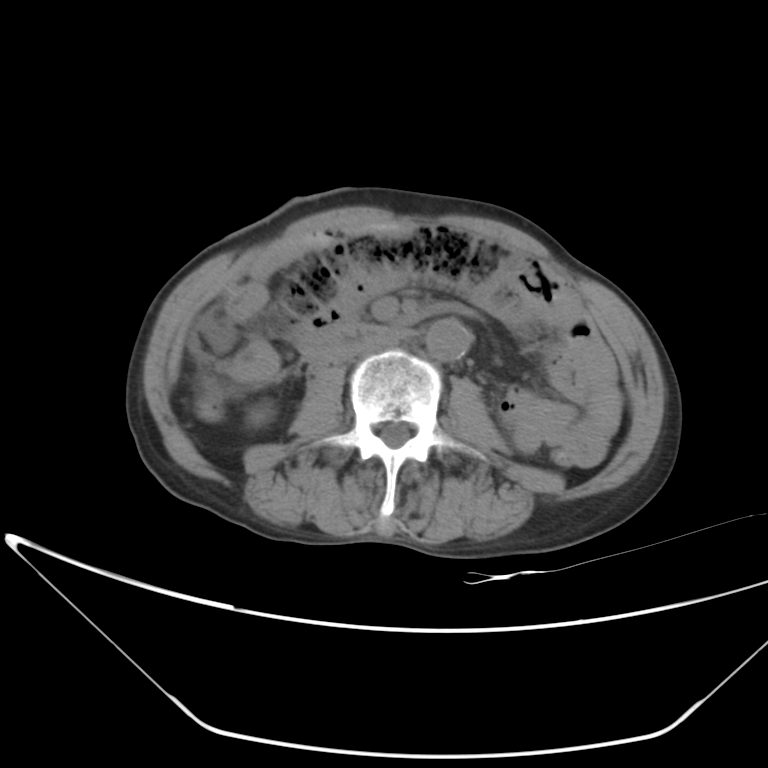 CT abdomen · axial view · soft-tissue window · 66-year-old male patient
<organs><organ name="duodenum" x1="302" y1="321" x2="392" y2="363"/><organ name="aorta" x1="425" y1="318" x2="471" y2="361"/><organ name="right kidney" x1="252" y1="408" x2="268" y2="424"/><organ name="inferior vena cava" x1="331" y1="331" x2="400" y2="363"/></organs>